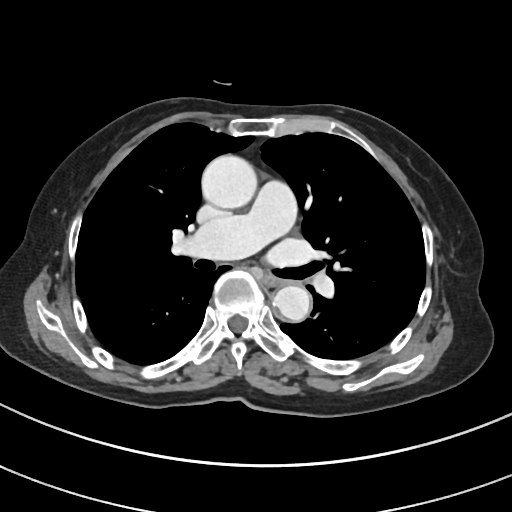
Chest-level slice from an abdominal CT that extends up into the chest · Axial slice 227/284 · acquired on SOMATOM Force
At this level of the chest this dataset labels only the esophagus and the aorta, and each is boxed only where it is labeled; the heart and lungs are never labeled. Boxes are (x1, y1, x2, y2) in pixels. The annotated organs in this slice are: esophagus at (264, 270, 284, 285), aorta at (201, 154, 256, 208), aorta at (273, 283, 311, 321).